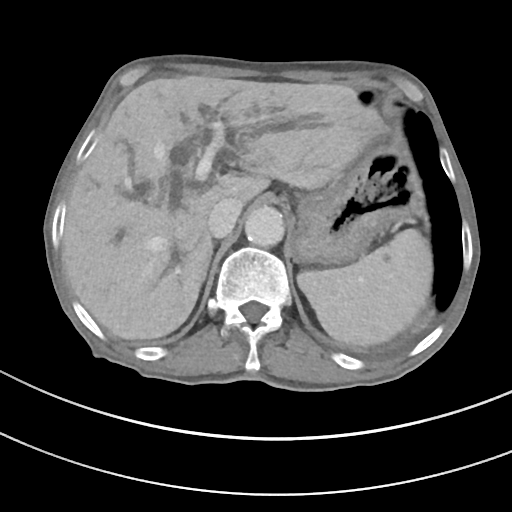
Abdominal CT; axial view; soft-tissue window (W 400 / L 40)
Organ boxes in pixel coordinates; each row gives the top-left (x1, y1) and bottom-right (x2, y2) corners.
| organ | x1 | y1 | x2 | y2 |
|---|---|---|---|---|
| spleen | 297 | 228 | 432 | 346 |
| liver | 64 | 75 | 381 | 339 |
| stomach | 293 | 147 | 416 | 264 |
| aorta | 245 | 206 | 284 | 247 |
| inferior vena cava | 208 | 197 | 243 | 237 |